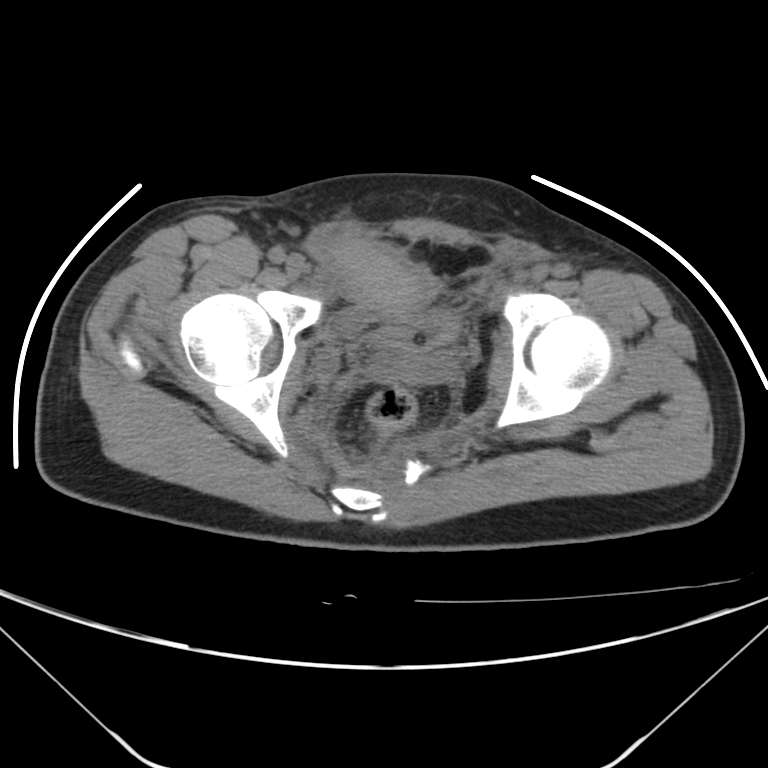
CT, abdomen/pelvis — axial view — 768x768 px — 24-year-old male patient
Coordinates as <box>x1,y1,x2,y2</box> in pixels. 1 labeled organ on this slice — bladder at <box>372,311,459,350</box>.